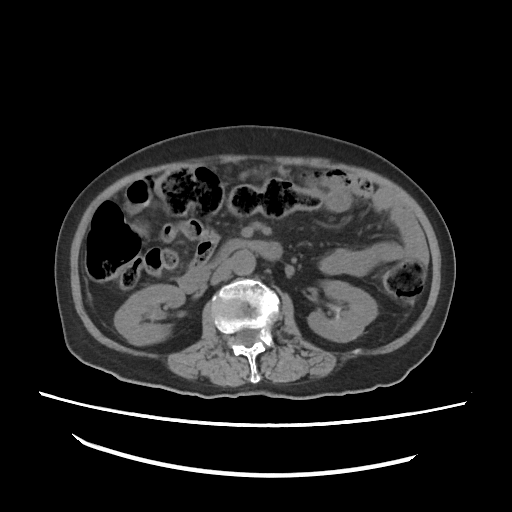

Computed tomography, abdomen; axial view; soft-tissue window (W 400 / L 40)
One row per box, in pixels: columns x1 and y1 give the top-left corner, x2 and y2 the bottom-right.
| organ | x1 | y1 | x2 | y2 |
|---|---|---|---|---|
| right kidney | 114 | 285 | 186 | 345 |
| left kidney | 307 | 278 | 377 | 342 |
| aorta | 231 | 249 | 254 | 274 |
| inferior vena cava | 210 | 258 | 231 | 282 |
| duodenum | 180 | 239 | 283 | 293 |